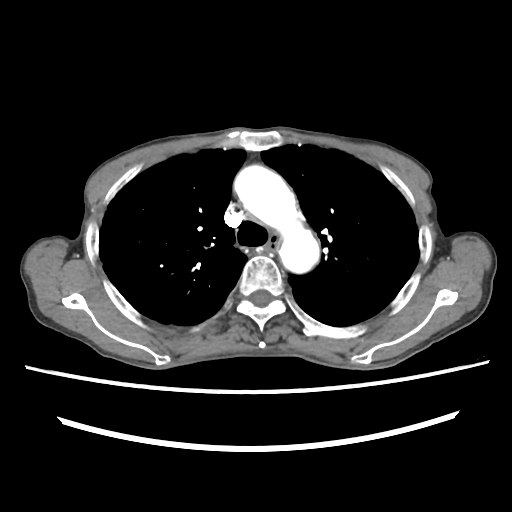

CT of the abdomen extending into the chest, slice through the chest; axial view; W/L 400/40 HU
At this level of the chest this dataset labels only the esophagus and the aorta, and each is boxed only where it is labeled; the heart and lungs are never labeled.
Boxes: x1:y1:x2:y2 in pixels.
Organ bounding boxes:
- esophagus: 266:235:281:253
- aorta: 234:165:319:273